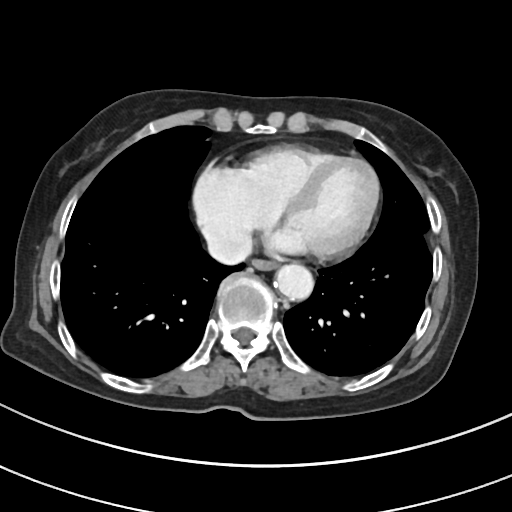 CT of the abdomen reaching into the lower chest, slice just above the liver and spleen. axial plane, index 192. W/L 400/40 HU. 512x512 px
No part of the heart or lungs is labeled in this dataset, so neither has a box here. Coordinates as <box>x1,y1,x2,y2</box> in pixels. The annotated organs in this slice are: esophagus at <box>253,261,277,271</box>, aorta at <box>274,265,314,300</box>, inferior vena cava at <box>207,230,251,262</box>.